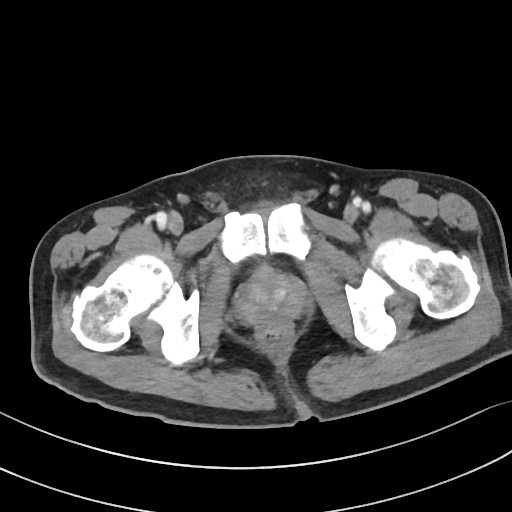 CT abdomen — axial view — scan has 15 labeled organs (counted over the whole 3D scan, not this slice; an organ is boxed only where this slice passes through it)
Box edges are left/top/right/bottom in pixels.
Organ bounding boxes:
- prostate/uterus: left=238, top=271, right=304, bottom=324